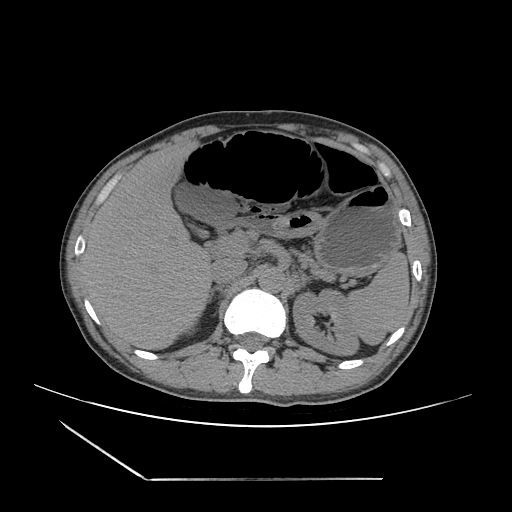
Computed tomography, abdomen — axial plane, index 134 — soft-tissue window — scan has 15 labeled organs (a whole-scan count: organs this slice does not pass through have no box)
<organs><organ name="spleen" x1="349" y1="251" x2="409" y2="344"/><organ name="left kidney" x1="293" y1="288" x2="360" y2="356"/><organ name="gall bladder" x1="172" y1="184" x2="233" y2="227"/><organ name="liver" x1="81" y1="141" x2="211" y2="350"/><organ name="stomach" x1="274" y1="186" x2="400" y2="272"/><organ name="aorta" x1="258" y1="266" x2="286" y2="292"/><organ name="inferior vena cava" x1="210" y1="258" x2="247" y2="283"/><organ name="pancreas" x1="296" y1="251" x2="332" y2="279"/><organ name="right adrenal gland" x1="207" y1="285" x2="223" y2="299"/><organ name="left adrenal gland" x1="299" y1="273" x2="318" y2="285"/><organ name="duodenum" x1="220" y1="215" x2="277" y2="238"/></organs>